Computed tomography, abdomen. axial view. soft-tissue window
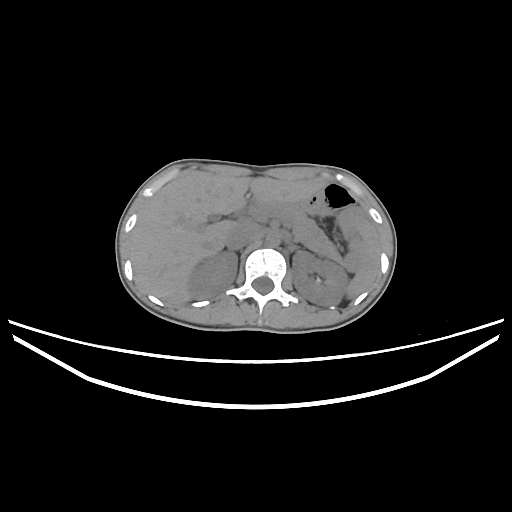
Each box given as x1,y1,x2,y2.
spleen: x1=346, y1=221, x2=378, y2=298
liver: x1=130, y1=175, x2=324, y2=304
right kidney: x1=188, y1=251, x2=237, y2=298
aorta: x1=265, y1=232, x2=280, y2=246
pancreas: x1=249, y1=202, x2=341, y2=261
left kidney: x1=292, y1=251, x2=347, y2=305
inferior vena cava: x1=225, y1=222, x2=260, y2=249